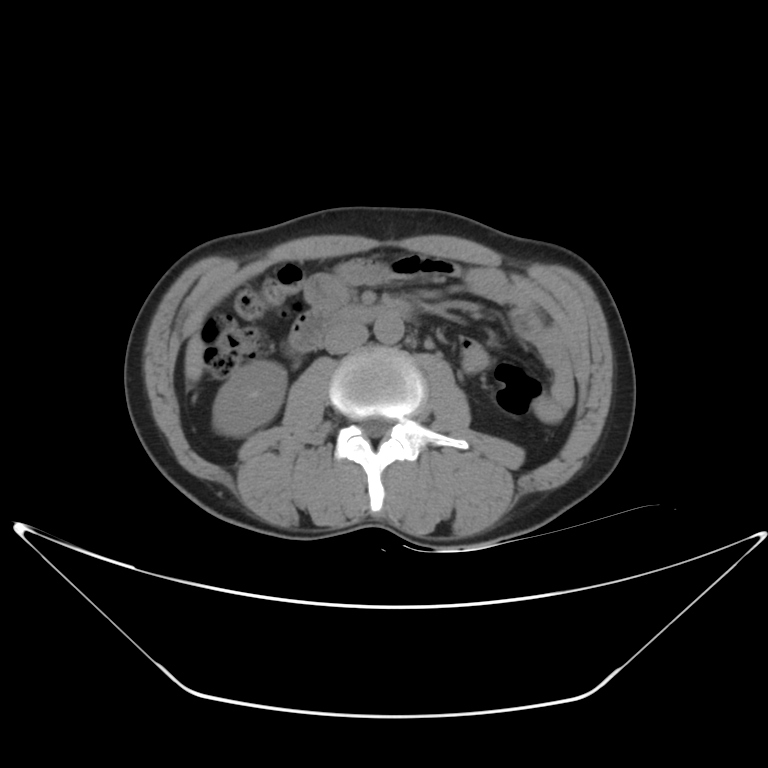 CT, abdomen/pelvis; Axial slice 57/93; abdomen soft-tissue window
One row per box, in pixels: columns x1 and y1 give the top-left corner, x2 and y2 the bottom-right.
| organ | x1 | y1 | x2 | y2 |
|---|---|---|---|---|
| right kidney | 214 | 360 | 288 | 433 |
| liver | 183 | 332 | 204 | 380 |
| aorta | 373 | 314 | 403 | 345 |
| inferior vena cava | 324 | 324 | 367 | 353 |
| duodenum | 290 | 299 | 413 | 351 |